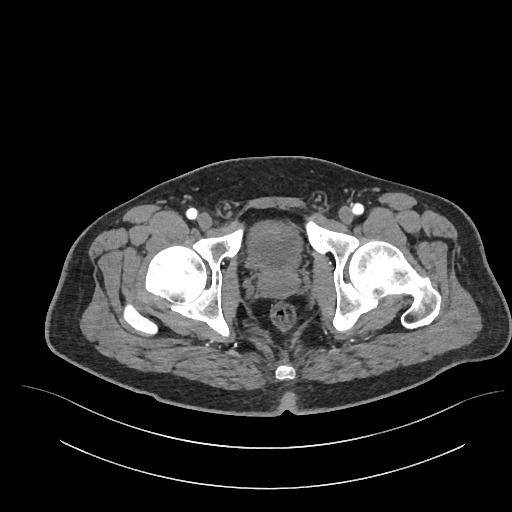
CT abdomen. axial view. soft-tissue window (W 400 / L 40)
One row per box, in pixels: columns x1 and y1 give the top-left corner, x2 and y2 the bottom-right.
| organ | x1 | y1 | x2 | y2 |
|---|---|---|---|---|
| bladder | 248 | 221 | 301 | 269 |
| prostate/uterus | 259 | 268 | 298 | 297 |